CT abdomen · Axial slice 121/333 · 512x512 px · 15 organs annotated in this scan (counted over the whole 3D scan, not this slice; an organ is boxed only where this slice passes through it)
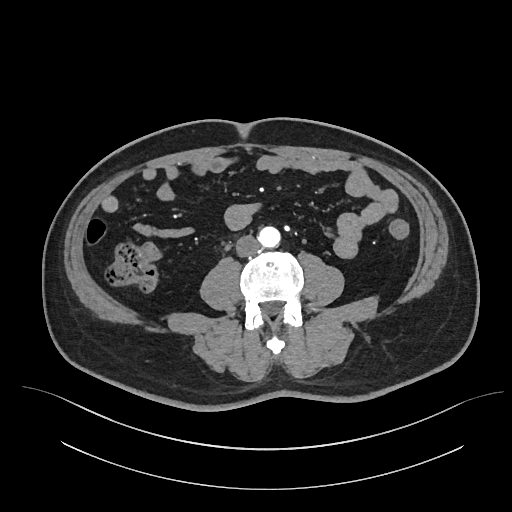

Bounding boxes as [x1, y1, x2, y2] in pixel coordinates.
Organ bounding boxes:
- aorta: [259, 227, 281, 248]
- inferior vena cava: [236, 234, 258, 256]